CT abdomen · axial view
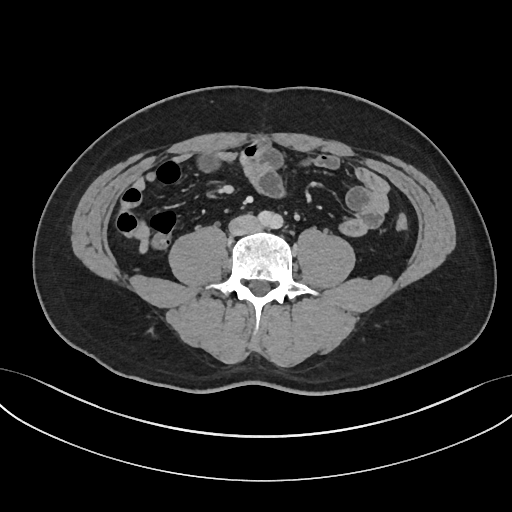

Boxes are (x1, y1, x2, y2) in pixels.
aorta: (258, 211, 282, 229)
inferior vena cava: (228, 214, 260, 235)